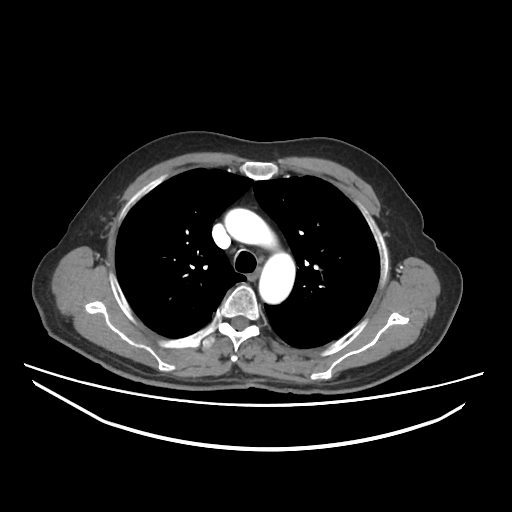
Chest-level slice from an abdominal CT that extends up into the chest · axial view · 58-year-old male patient
On a slice this high in the chest, this dataset labels only the esophagus and the aorta, and each is boxed only where it is labeled; the heart, lungs and other chest structures are not labeled.
Organ boxes in pixel coordinates; each row gives the top-left (x1, y1) and bottom-right (x2, y2) corners.
| organ | x1 | y1 | x2 | y2 |
|---|---|---|---|---|
| aorta | 225 | 208 | 295 | 303 |
| esophagus | 248 | 274 | 256 | 281 |